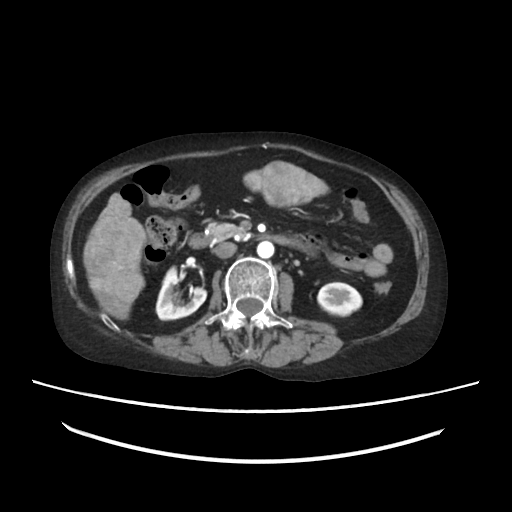
Computed tomography, abdomen. axial view. 61-year-old female patient
Each box given as x1,y1,x2,y2.
Organ bounding boxes:
- right kidney: x1=157, y1=268, x2=206, y2=320
- left kidney: x1=318, y1=282, x2=361, y2=314
- liver: x1=82, y1=161, x2=327, y2=320
- aorta: x1=257, y1=242, x2=273, y2=256
- inferior vena cava: x1=214, y1=242, x2=234, y2=257
- pancreas: x1=207, y1=222, x2=243, y2=239
- duodenum: x1=190, y1=233, x2=324, y2=256